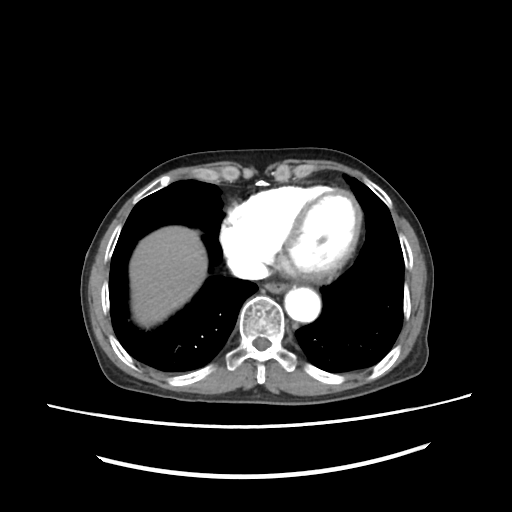
Computed tomography, abdomen · axial view · 67-year-old male patient · 15 organs annotated in this scan (that count is for the whole scan; organs this slice misses have no box)
Boxes: x1 y1 x2 y2 (pixel coords, space-separated).
Organ bounding boxes:
- inferior vena cava: 226 251 266 282
- aorta: 285 286 319 320
- liver: 130 227 204 327
- esophagus: 265 283 287 293